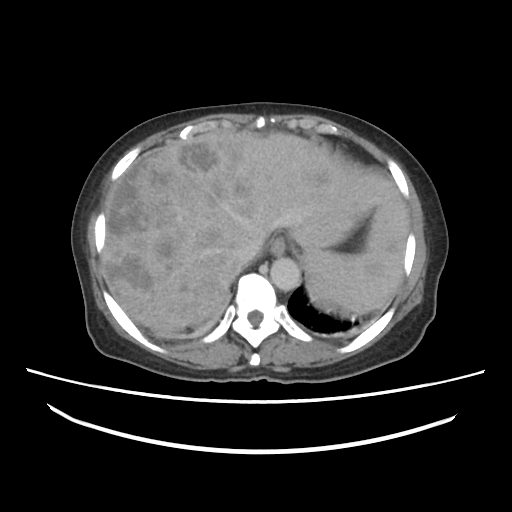

Computed tomography, abdomen; Axial slice 83/100
Boxes: x1 y1 x2 y2 (pixel coords, space-separated).
Organ bounding boxes:
- spleen: 304 250 386 320
- esophagus: 270 240 285 256
- liver: 101 132 407 333
- stomach: 303 259 303 262
- aorta: 270 257 300 291
- inferior vena cava: 234 238 261 262